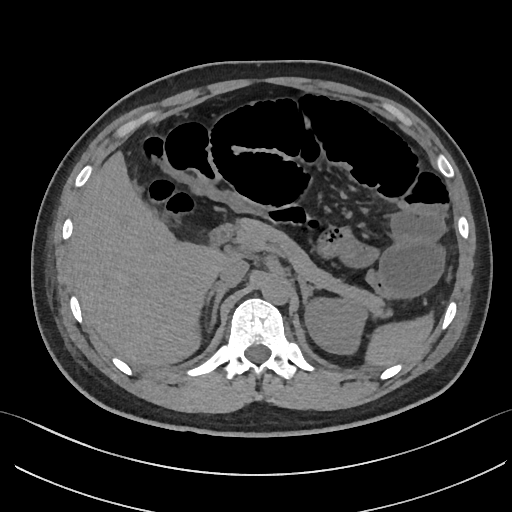

CT, abdomen/pelvis — axial view — soft-tissue window (W 400 / L 40) — 512x512 px
Boxes are (x1, y1, x2, y2) in pixels. The annotated organs in this slice are: left adrenal gland at (299, 279, 314, 302), liver at (69, 153, 226, 365), inferior vena cava at (218, 258, 249, 284), right adrenal gland at (206, 282, 234, 330), spleen at (366, 316, 433, 365), aorta at (261, 278, 288, 304), duodenum at (209, 226, 232, 248), pancreas at (234, 217, 382, 313), left kidney at (303, 296, 369, 355).